Abdominal CT — axial view — abdomen soft-tissue window — 512x512 px
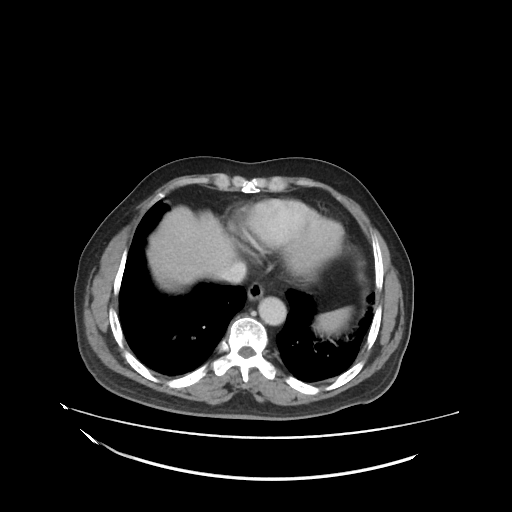

Boxes are (x1, y1, x2, y2) in pixels.
spleen: (314, 308, 352, 337)
esophagus: (247, 282, 264, 302)
liver: (147, 206, 235, 291)
aorta: (258, 297, 286, 326)
inferior vena cava: (217, 262, 246, 285)